Abdominal CT. axial view. 512x512 px
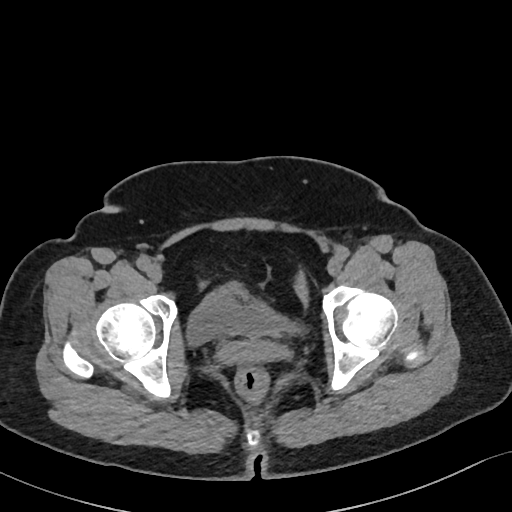 Boxes: x1:y1:x2:y2 in pixels.
Organ bounding boxes:
- bladder: 187:283:297:344